CT abdomen · axial view
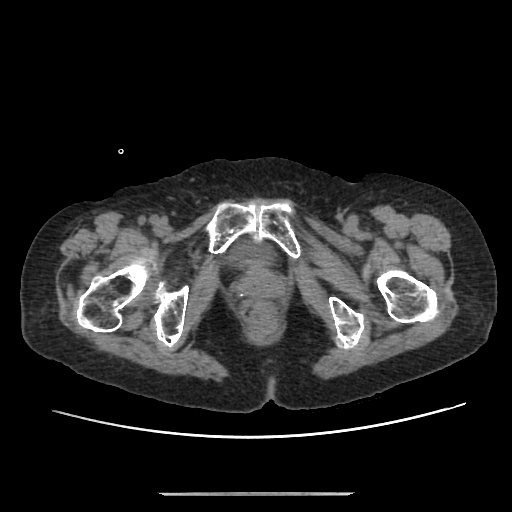
Coordinates as <box>x1,y1,x2,y2</box> in pixels.
Organ bounding boxes:
- bladder: <box>232,244,272,268</box>